CT abdomen — axial view — scan has 14 labeled organs (counted over the whole 3D scan, not this slice; an organ is boxed only where this slice passes through it)
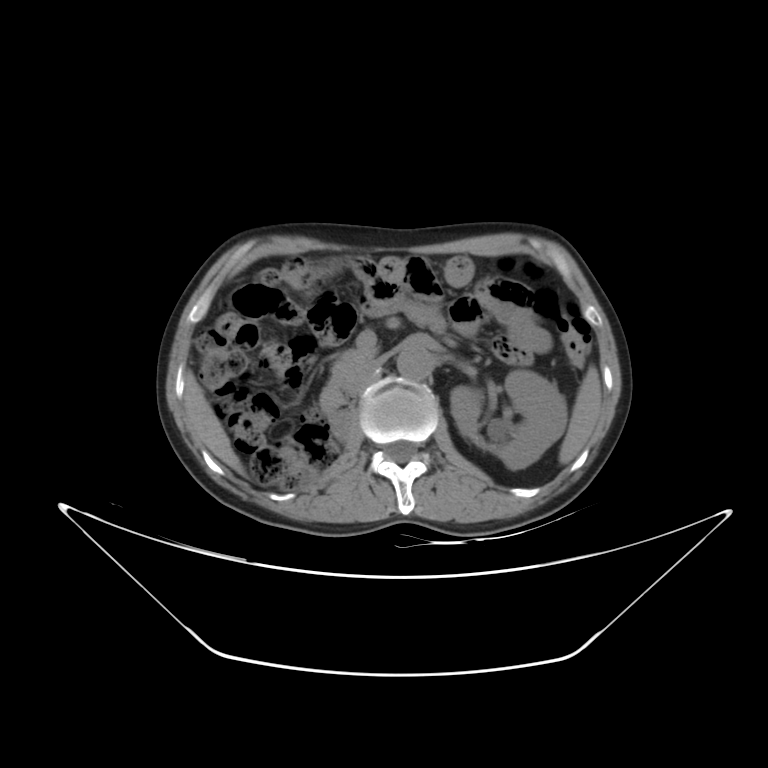 Each box given as x1,y1,x2,y2. The annotated organs in this slice are: spleen at x1=559, y1=366, x2=601, y2=464, left kidney at x1=450, y1=370, x2=566, y2=469, liver at x1=184, y1=372, x2=244, y2=474, aorta at x1=397, y1=347, x2=432, y2=380, inferior vena cava at x1=345, y1=359, x2=381, y2=395, pancreas at x1=323, y1=349, x2=373, y2=392, duodenum at x1=321, y1=391, x2=348, y2=430.